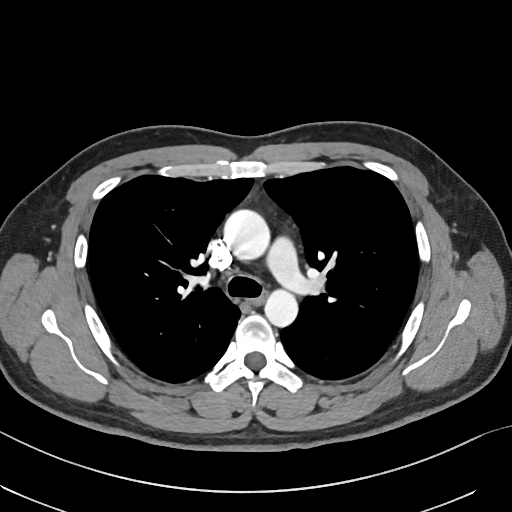

Abdominal CT reaching into the chest; this slice is in the chest · axial view · 512x512 px · acquired on SOMATOM Force
At this level of the chest this dataset labels only the esophagus and the aorta, and each is boxed only where it is labeled; the heart and lungs are never labeled.
{"organs":{"esophagus":[252,294,265,304],"aorta":[[223,208,270,258],[265,289,297,327]]}}